CT of the abdomen extending into the chest, slice through the chest. axial plane, index 221. soft-tissue window (W 400 / L 40). 512x512 px. 15 organs annotated in this scan (counted over the whole 3D scan, not this slice; an organ is boxed only where this slice passes through it)
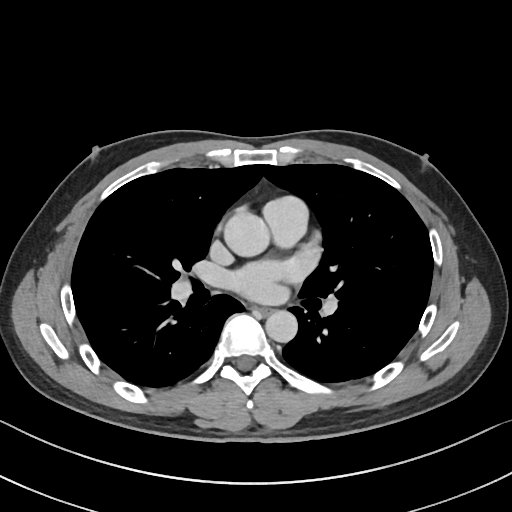
On a slice this high in the chest, this dataset labels only the esophagus and the aorta, and each is boxed only where it is labeled; the heart, lungs and other chest structures are not labeled.
Box edges are left/top/right/bottom in pixels.
Organ bounding boxes:
- aorta: left=223, top=211, right=268, bottom=256
- aorta: left=265, top=310, right=297, bottom=343
- esophagus: left=253, top=306, right=271, bottom=315